Computed tomography, abdomen. axial view. W/L 400/40 HU. 15 organs annotated in this scan (that count is for the whole scan; organs this slice misses have no box)
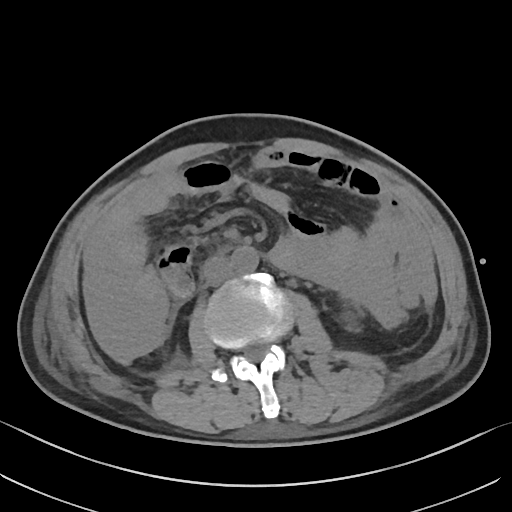 Box edges are left/top/right/bottom in pixels. Labeled organs on this slice: left kidney at left=345, top=317, right=355, bottom=328, aorta at left=231, top=247, right=258, bottom=273, inferior vena cava at left=201, top=256, right=232, bottom=286.